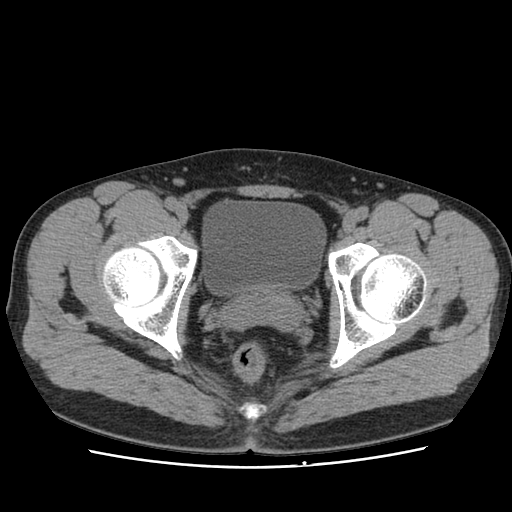
CT abdomen — Axial slice 29/167 — soft-tissue window (W 400 / L 40) — 512x512 px — acquired on SOMATOM Force
Box edges are left/top/right/bottom in pixels.
Organ bounding boxes:
- bladder: left=202, top=200, right=325, bottom=294
- prostate/uterus: left=235, top=286, right=289, bottom=316